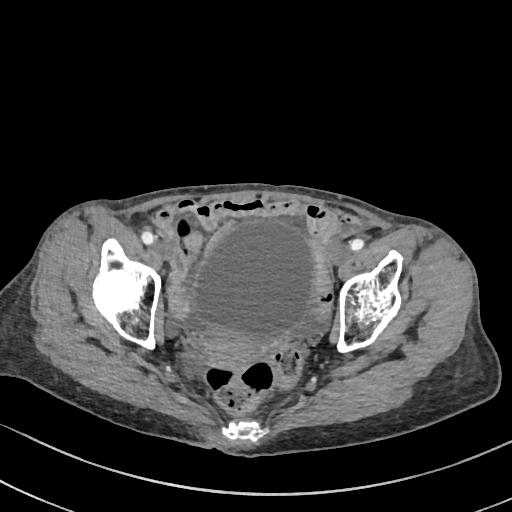 Computed tomography, abdomen. axial view. soft-tissue window
Boxes: x1 y1 x2 y2 (pixel coords, space-separated).
bladder: 195 224 314 339
prostate/uterus: 199 327 258 367